Lower-chest slice from an abdominal CT, just above the liver and spleen · axial view · 31-year-old male patient
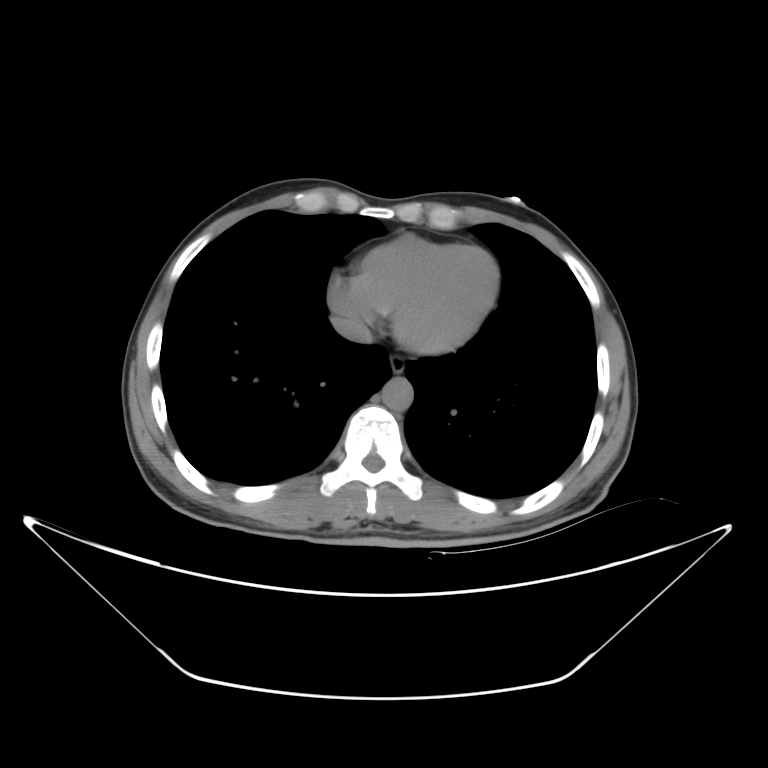

Of the structures in the chest, this dataset labels only the esophagus, the aorta and the inferior vena cava; the heart and lungs have no label.
One row per box, in pixels: columns x1 and y1 give the top-left corner, x2 and y2 the bottom-right.
| organ | x1 | y1 | x2 | y2 |
|---|---|---|---|---|
| esophagus | 389 | 356 | 406 | 373 |
| aorta | 382 | 379 | 411 | 411 |
| inferior vena cava | 331 | 315 | 375 | 342 |